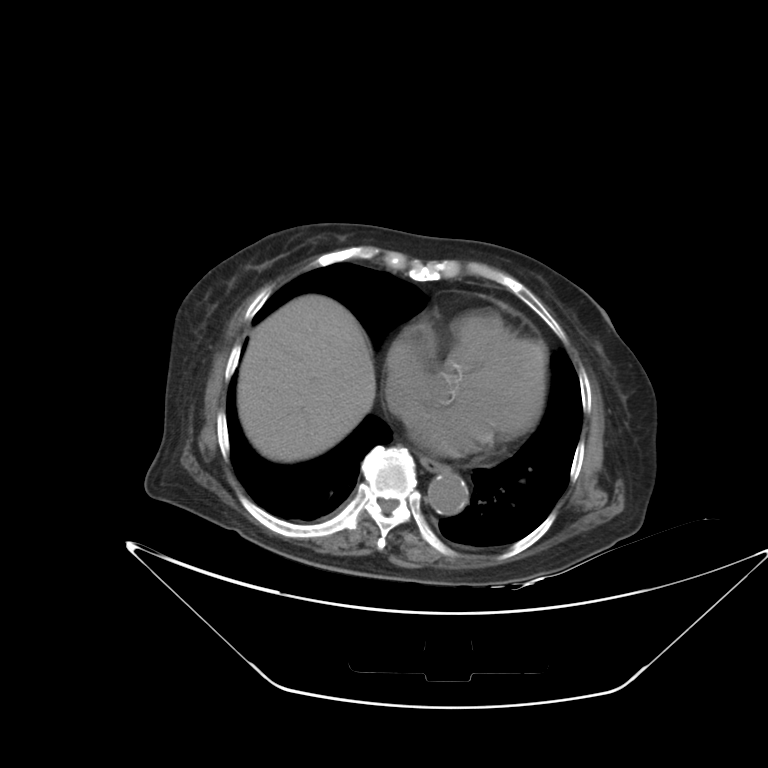

CT abdomen · axial view · soft-tissue window
Each box given as x1,y1,x2,y2.
esophagus: x1=420, y1=456, x2=446, y2=472
liver: x1=237, y1=295, x2=375, y2=462
aorta: x1=427, y1=470, x2=468, y2=515